CT abdomen; Axial slice 126/234; W/L 400/40 HU; 512x512 px
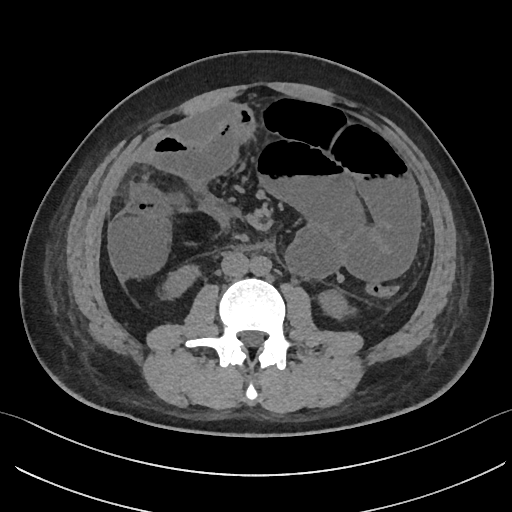

{"organs":{"right kidney":[164,264,200,299],"left kidney":[318,289,353,319],"aorta":[250,256,271,276],"inferior vena cava":[221,252,249,276]}}